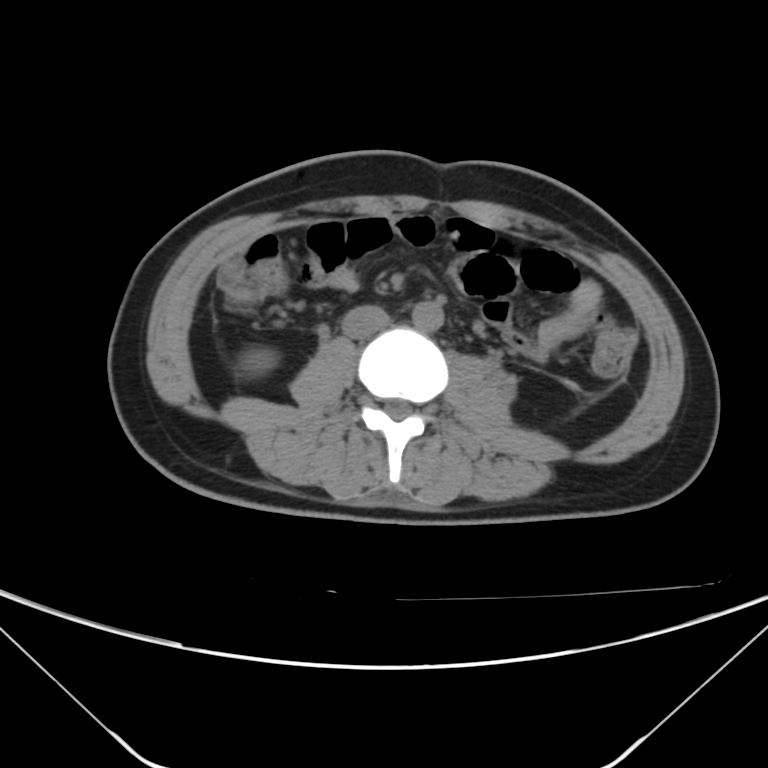
Abdominal CT; Axial slice 51/100; W/L 400/40 HU; 768x768 px; 24-year-old male patient
Box edges are left/top/right/bottom in pixels.
Organ bounding boxes:
- right kidney: left=243, top=356, right=266, bottom=370
- inferior vena cava: left=342, top=304, right=390, bottom=337
- aorta: left=412, top=301, right=443, bottom=331